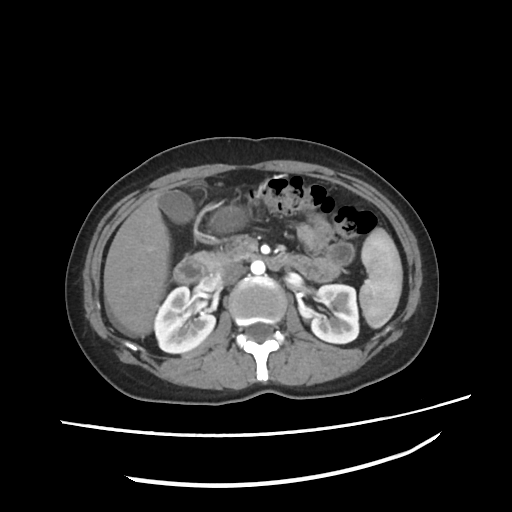 Abdominal CT. axial view. W/L 400/40 HU. scan has 15 labeled organs (counted over the whole 3D scan, not this slice; an organ is boxed only where this slice passes through it)
{"organs":{"spleen":[360,227,401,327],"right kidney":[155,286,215,352],"left kidney":[299,284,357,343],"gall bladder":[158,190,194,224],"liver":[103,190,171,332],"stomach":[212,204,250,231],"aorta":[251,260,265,274],"inferior vena cava":[216,263,246,283],"pancreas":[195,238,247,269],"duodenum":[174,253,286,282]}}